Abdominal CT reaching into the chest; this slice is in the chest; Axial slice 311/314; SOMATOM Force scanner
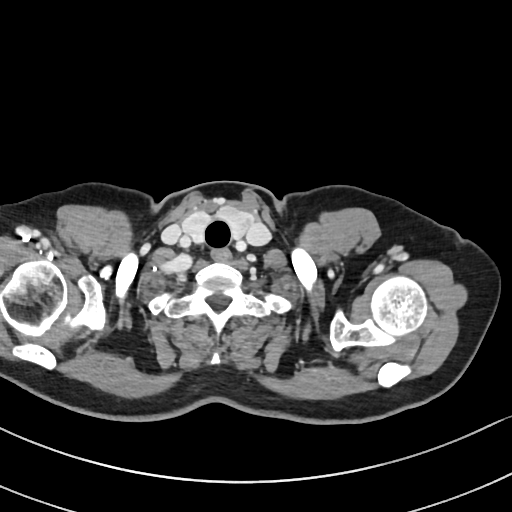 On a slice this high in the chest, this dataset labels only the esophagus and the aorta, and each is boxed only where it is labeled; the heart, lungs and other chest structures are not labeled.
Boxes: x1 y1 x2 y2 (pixel coords, space-separated).
esophagus: 212 247 232 259